Abdominal MR · coronal plane, index 126 · 13 organs annotated in this scan (counted over the whole 3D scan, not this slice; an organ is boxed only where this slice passes through it)
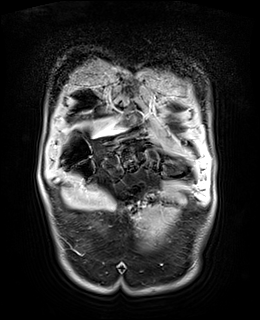
Bounding boxes in pixels, one row per box: x1, y1 is the top-left corner and x2, y2 the bottom-right.
| organ | x1 | y1 | x2 | y2 |
|---|---|---|---|---|
| liver | 95 | 126 | 112 | 135 |